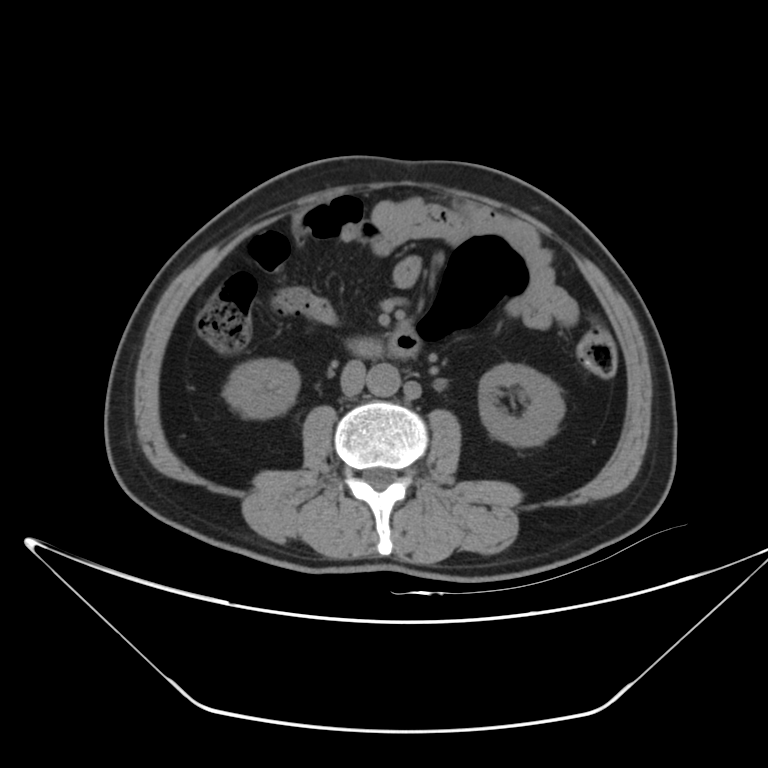 Computed tomography, abdomen · axial view · W/L 400/40 HU · 56-year-old male patient · 14 organs annotated in this scan (a whole-scan count: organs this slice does not pass through have no box)
Boxes: x1 y1 x2 y2 (pixel coords, space-separated). The annotated organs in this slice are: right kidney at 224 358 299 418, left kidney at 479 363 564 445, aorta at 367 363 400 396, inferior vena cava at 341 360 365 394, duodenum at 347 330 421 359.